Abdominal CT · axial view · soft-tissue window (W 400 / L 40) · 512x512 px
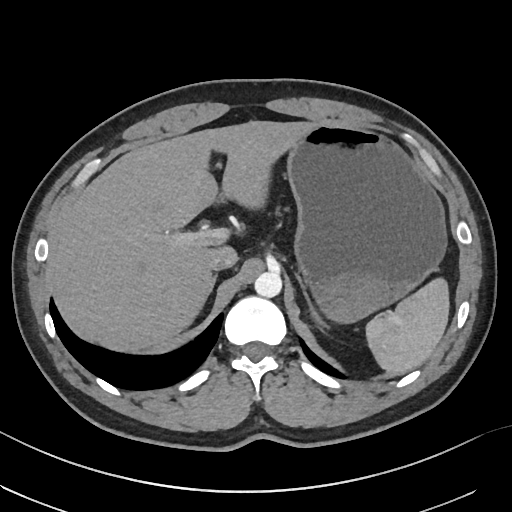
{"organs":{"spleen":[365,280,448,373],"liver":[55,121,316,350],"stomach":[287,121,447,324],"aorta":[254,270,282,298],"inferior vena cava":[208,254,237,271],"right adrenal gland":[212,277,216,288],"left adrenal gland":[296,276,322,323]}}